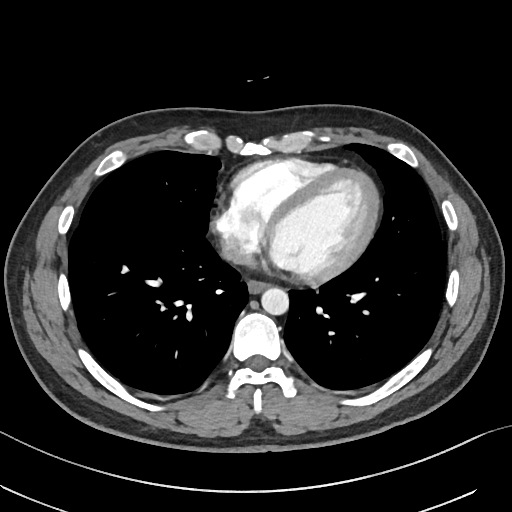

Abdominal CT; this slice is in the lower chest, just above the liver — axial view — W/L 400/40 HU — 512x512 px — acquired on SOMATOM Force
Of the structures in the chest, this dataset labels only the esophagus, the aorta and the inferior vena cava; the heart and lungs have no label.
Bounding boxes as [x1, y1, x2, y2] in pixel coordinates.
esophagus: [247, 281, 270, 292]
inferior vena cava: [221, 240, 253, 264]
aorta: [260, 286, 288, 314]